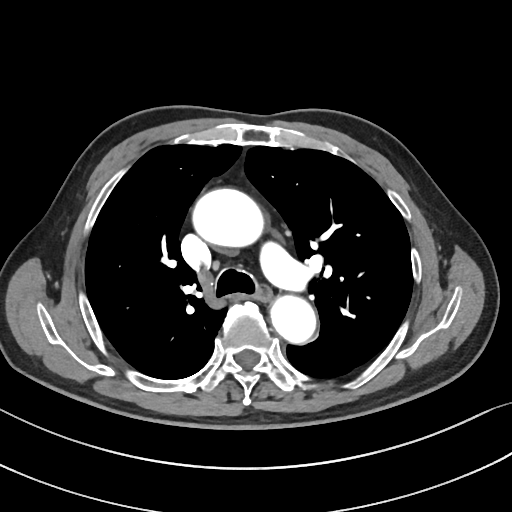

CT of the abdomen extending into the chest, slice through the chest; Axial slice 255/306; scan has 15 labeled organs (that count is for the whole scan; organs this slice misses have no box)
On a slice this high in the chest, this dataset labels only the esophagus and the aorta, and each is boxed only where it is labeled; the heart, lungs and other chest structures are not labeled.
Each box given as x1,y1,x2,y2.
esophagus: x1=256, y1=285, x2=271, y2=301
aorta: x1=192, y1=188, x2=263, y2=247
aorta: x1=270, y1=295, x2=315, y2=343